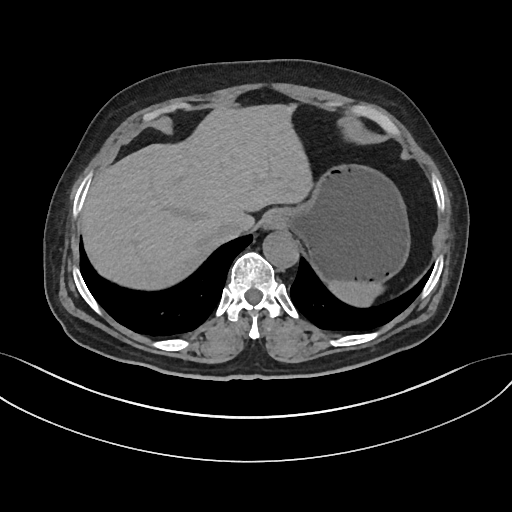
CT, abdomen/pelvis; Axial slice 179/207; soft-tissue window; 512x512 px; SOMATOM Force scanner; scan has 15 labeled organs (a whole-scan count: organs this slice does not pass through have no box)
Organ boxes in pixel coordinates; each row gives the top-left (x1, y1) and bottom-right (x2, y2) corners.
| organ | x1 | y1 | x2 | y2 |
|---|---|---|---|---|
| spleen | 329 | 281 | 383 | 306 |
| esophagus | 263 | 210 | 281 | 228 |
| liver | 79 | 104 | 312 | 290 |
| stomach | 278 | 163 | 410 | 282 |
| aorta | 263 | 231 | 298 | 268 |
| inferior vena cava | 217 | 220 | 244 | 240 |